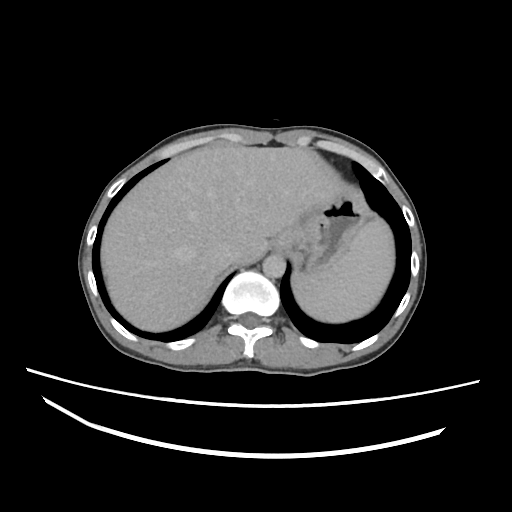

Computed tomography, abdomen — axial view — W/L 400/40 HU — 512x512 px
Box edges are left/top/right/bottom in pixels.
spleen: left=290, top=219, right=394, bottom=322
liver: left=99, top=148, right=351, bottom=331
stomach: left=271, top=189, right=371, bottom=268
aorta: left=262, top=254, right=284, bottom=277
inferior vena cava: left=209, top=240, right=238, bottom=264